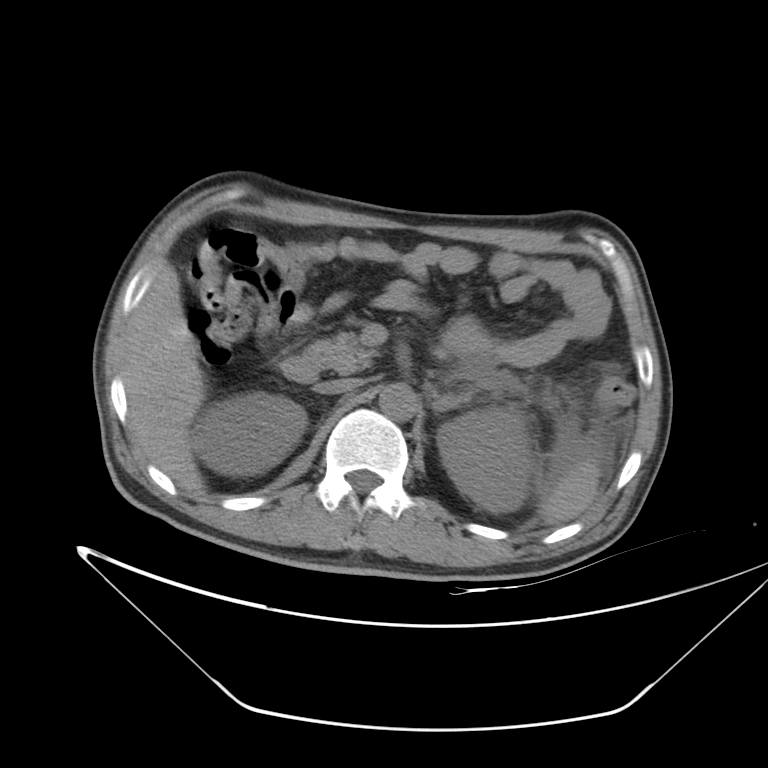 CT, abdomen/pelvis · axial plane, index 73 · 768x768 px · 15 organs annotated in this scan (counted over the whole 3D scan, not this slice; an organ is boxed only where this slice passes through it)
{"organs":{"spleen":[537,460,599,524],"right kidney":[192,391,306,476],"left kidney":[437,407,534,512],"liver":[122,261,205,491],"aorta":[379,383,417,421],"inferior vena cava":[315,378,362,393],"pancreas":[312,331,377,373],"left adrenal gland":[433,393,468,412],"duodenum":[279,355,319,382]}}